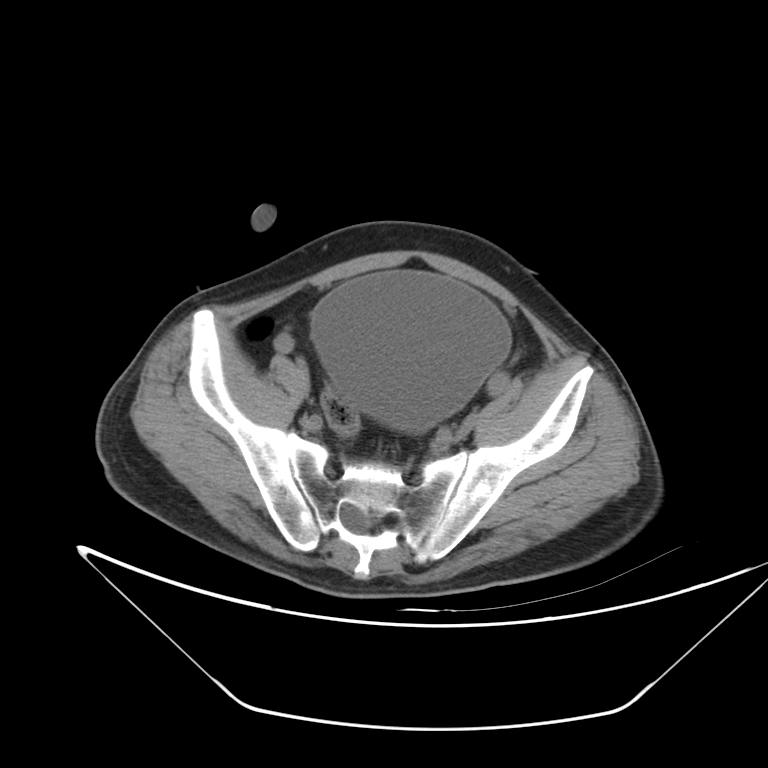 CT, abdomen/pelvis. axial view
One row per box, in pixels: columns x1 and y1 give the top-left corner, x2 and y2 the bottom-right.
| organ | x1 | y1 | x2 | y2 |
|---|---|---|---|---|
| bladder | 311 | 272 | 512 | 430 |